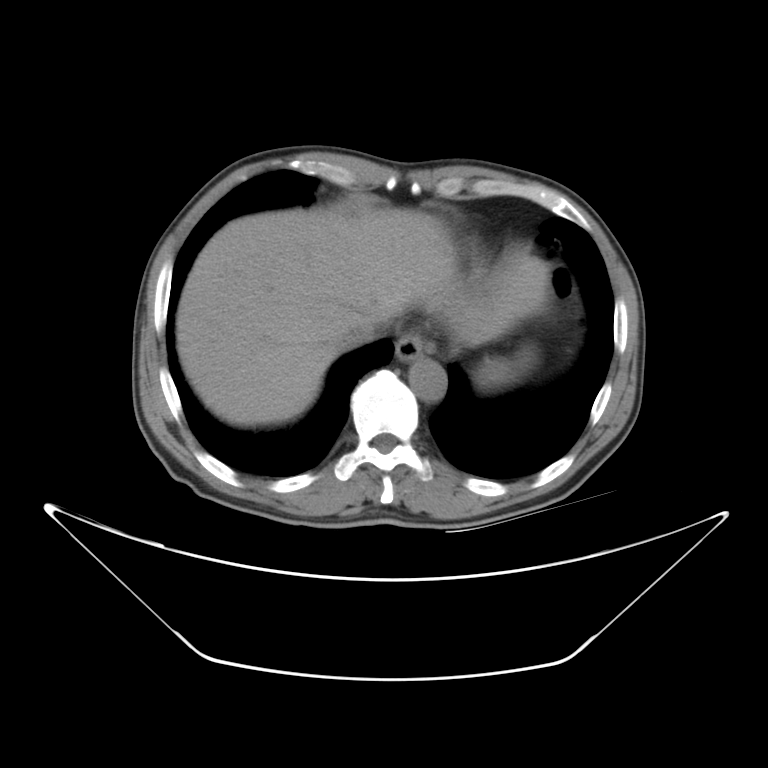

CT, abdomen/pelvis — axial view — soft-tissue window (W 400 / L 40)
<organs><organ name="esophagus" x1="396" y1="337" x2="422" y2="360"/><organ name="liver" x1="174" y1="205" x2="550" y2="426"/><organ name="stomach" x1="474" y1="357" x2="511" y2="383"/><organ name="aorta" x1="409" y1="358" x2="445" y2="399"/><organ name="inferior vena cava" x1="336" y1="318" x2="393" y2="352"/></organs>